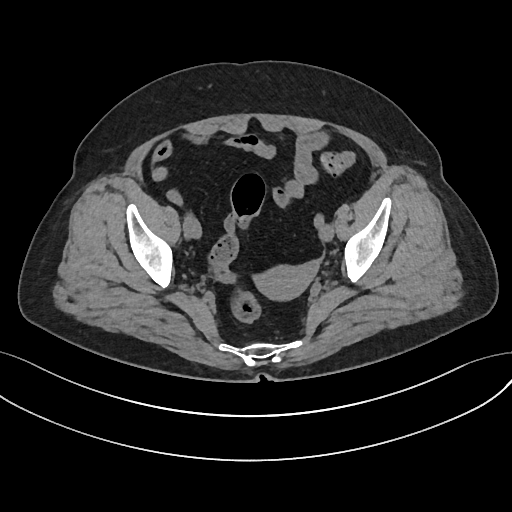 CT, abdomen/pelvis; axial view; acquired on SOMATOM Force; scan has 15 labeled organs (that count is for the whole scan; organs this slice misses have no box)
Bounding boxes as [x1, y1, x2, y2] in pixel coordinates. The annotated organs in this slice are: prostate/uterus at [255, 265, 310, 299].